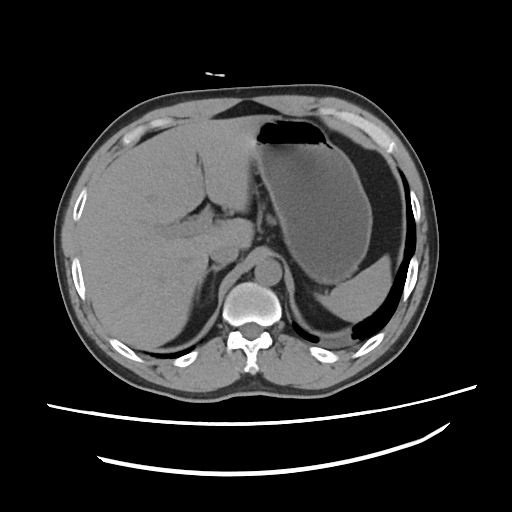 Abdominal CT. axial view. 45-year-old male patient
Each box given as x1,y1,x2,y2.
spleen: x1=316, y1=255, x2=392, y2=322
liver: x1=78, y1=113, x2=277, y2=348
stomach: x1=253, y1=117, x2=373, y2=283
aorta: x1=255, y1=257, x2=282, y2=285
inferior vena cava: x1=211, y1=249, x2=238, y2=264
right adrenal gland: x1=195, y1=265, x2=225, y2=305